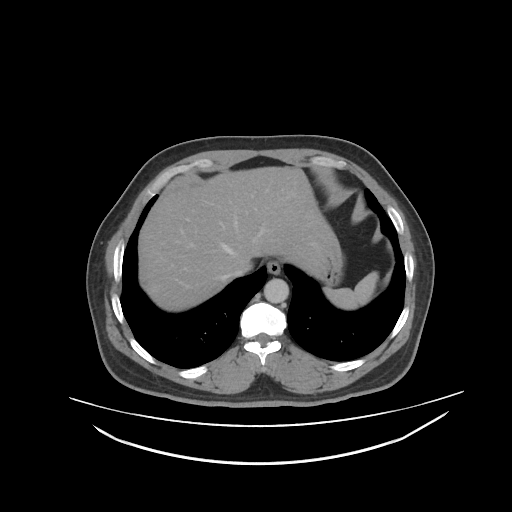 Computed tomography, abdomen — axial view
Boxes: x1:y1:x2:y2 in pixels. The annotated organs in this slice are: inferior vena cava at 231:261:250:277, spleen at 322:271:379:310, liver at 137:167:334:312, aorta at 263:278:288:303, esophagus at 266:261:282:274, stomach at 312:234:343:286.